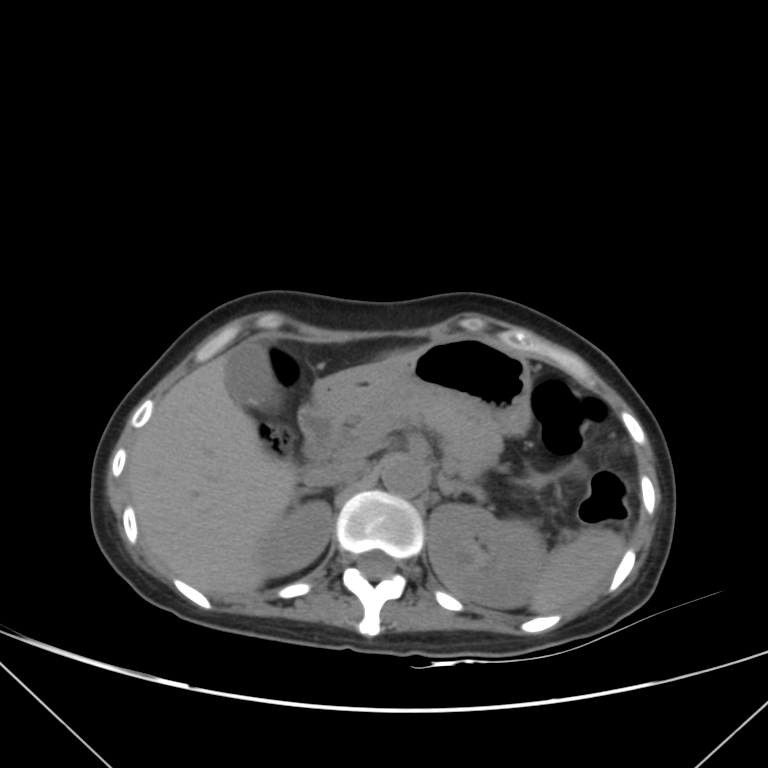

Abdominal CT · axial view · 768x768 px
Boxes: x1:y1:x2:y2 in pixels.
spleen: 529:528:623:613
right kidney: 257:501:332:576
left kidney: 428:504:545:608
gall bladder: 225:342:271:408
liver: 127:354:298:596
stomach: 313:335:532:435
aorta: 381:455:425:496
inferior vena cava: 306:460:361:488
pancreas: 342:399:503:481
right adrenal gland: 296:487:315:498
left adrenal gland: 438:474:486:503
duodenum: 298:404:341:464